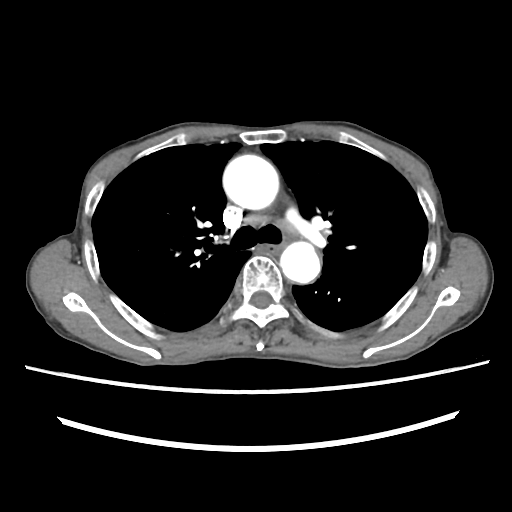
Chest-level CT slice, above the liver and spleen · axial view
On a slice this high in the chest, this dataset labels only the esophagus and the aorta, and each is boxed only where it is labeled; the heart, lungs and other chest structures are not labeled.
<organs><organ name="esophagus" x1="260" y1="246" x2="282" y2="256"/><organ name="aorta" x1="223" y1="154" x2="279" y2="209"/><organ name="aorta" x1="280" y1="241" x2="320" y2="283"/></organs>